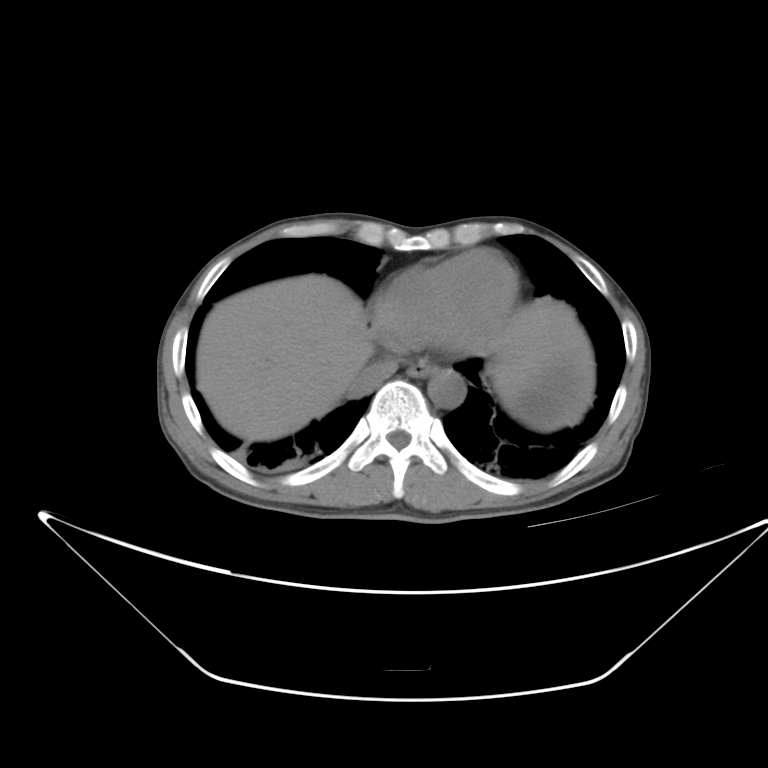

Abdominal CT. axial view. W/L 400/40 HU. Brilliance16 scanner. scan has 15 labeled organs (that count is for the whole scan; organs this slice misses have no box)
<organs><organ name="esophagus" x1="407" y1="356" x2="435" y2="376"/><organ name="liver" x1="197" y1="276" x2="586" y2="440"/><organ name="stomach" x1="499" y1="338" x2="596" y2="428"/><organ name="aorta" x1="428" y1="369" x2="465" y2="409"/><organ name="inferior vena cava" x1="345" y1="360" x2="396" y2="399"/></organs>